Computed tomography, abdomen — axial view
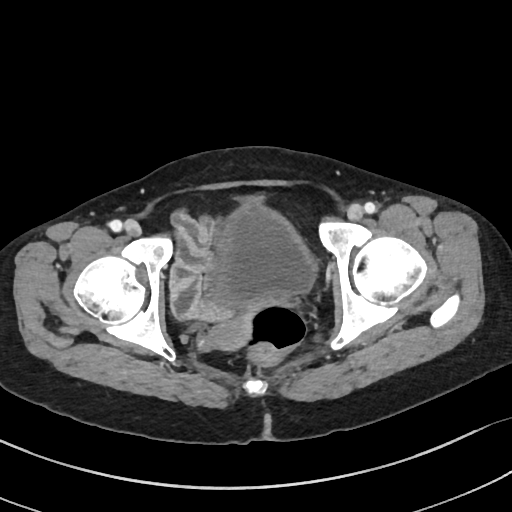
{"organs":{"bladder":[174,202,315,313],"prostate/uterus":[207,316,250,350]}}